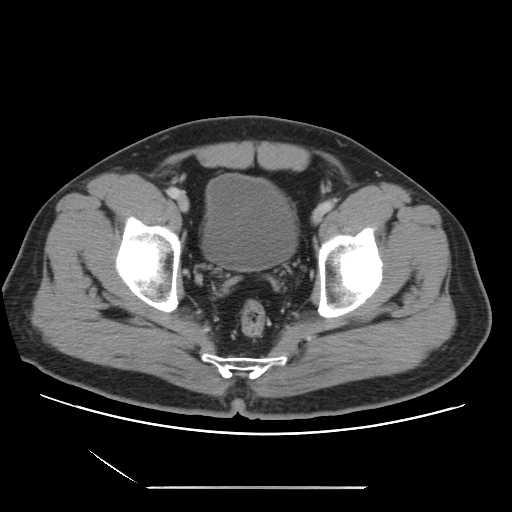

Abdominal CT. axial plane, index 20. 512x512 px. scan has 15 labeled organs (that count is for the whole scan; organs this slice misses have no box)
Boxes are (x1, y1, x2, y2) in pixels.
Organ bounding boxes:
- bladder: (202, 174, 297, 271)